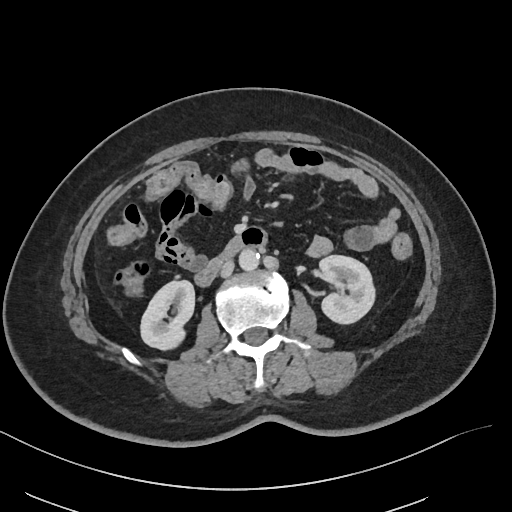 Computed tomography, abdomen. axial view. W/L 400/40 HU. 512x512 px. acquired on SOMATOM Force
Bounding boxes in pixels, one row per box: x1, y1 is the top-left corner and x2, y2 the bottom-right.
| organ | x1 | y1 | x2 | y2 |
|---|---|---|---|---|
| aorta | 239 | 250 | 259 | 271 |
| inferior vena cava | 220 | 260 | 234 | 277 |
| right kidney | 140 | 281 | 195 | 351 |
| left kidney | 309 | 255 | 373 | 324 |
| duodenum | 193 | 236 | 246 | 287 |